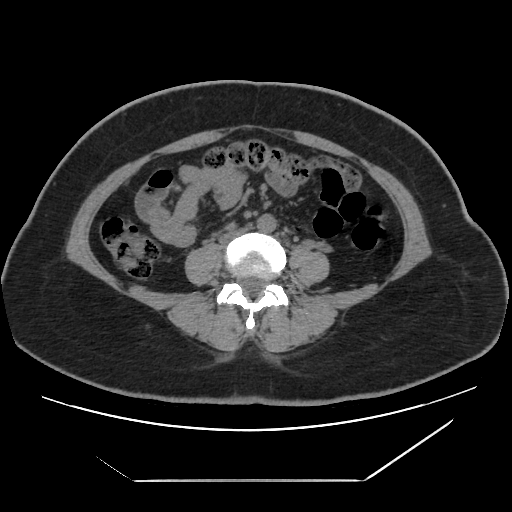

CT, abdomen/pelvis — axial view
{"organs":{"aorta":[257,214,276,233],"inferior vena cava":[220,226,250,243]}}